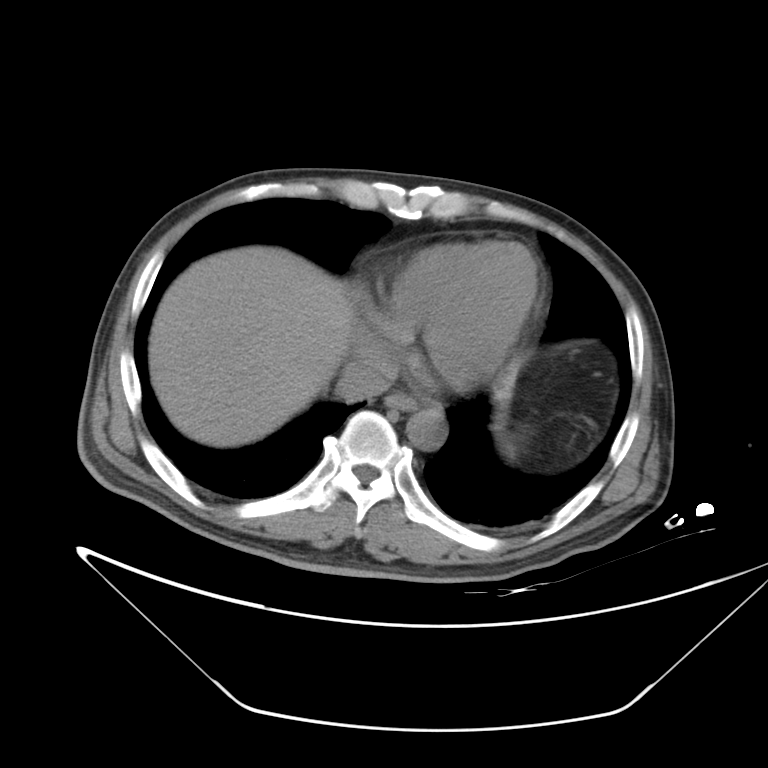 Abdominal CT · axial view · W/L 400/40 HU
Coordinates as <box>x1,y1,x2,y2</box> in pixels.
stomach: <box>504,438,514,452</box>
liver: <box>149,245,354,447</box>
aorta: <box>406,409,447,449</box>
esophagus: <box>385,393,417,410</box>
inferior vena cava: <box>335,359,389,401</box>